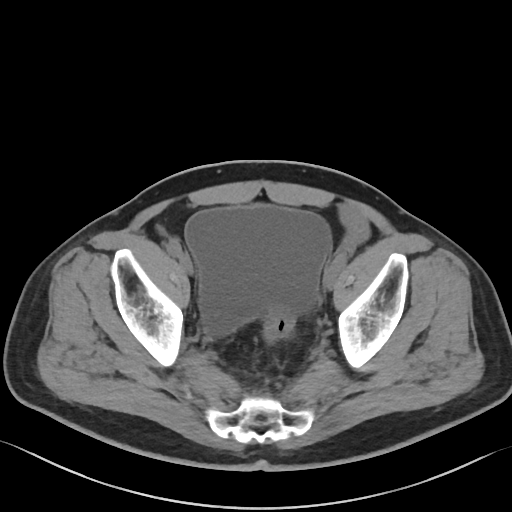

CT, abdomen/pelvis; axial view
Bounding boxes as [x1, y1, x2, y2] in pixel coordinates. 1 labeled organ on this slice — bladder at [185, 204, 330, 334].